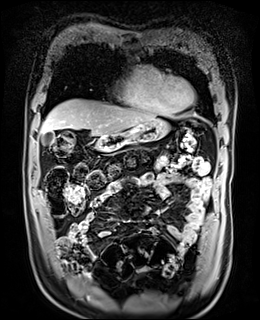
Abdominal MRI — coronal acquisition — 1st–99th percentile window — 13 organs annotated in this scan (that count is for the whole scan; organs this slice misses have no box)
Bounding boxes in pixels, one row per box: x1, y1 is the top-left corner and x2, y2 the bottom-right.
| organ | x1 | y1 | x2 | y2 |
|---|---|---|---|---|
| gall bladder | 42 | 131 | 54 | 145 |
| liver | 41 | 99 | 156 | 136 |
| stomach | 97 | 118 | 169 | 151 |
| duodenum | 95 | 138 | 118 | 151 |